Abdominal CT — axial view — abdomen soft-tissue window — 512x512 px — 15 organs annotated in this scan (that count is for the whole scan; organs this slice misses have no box)
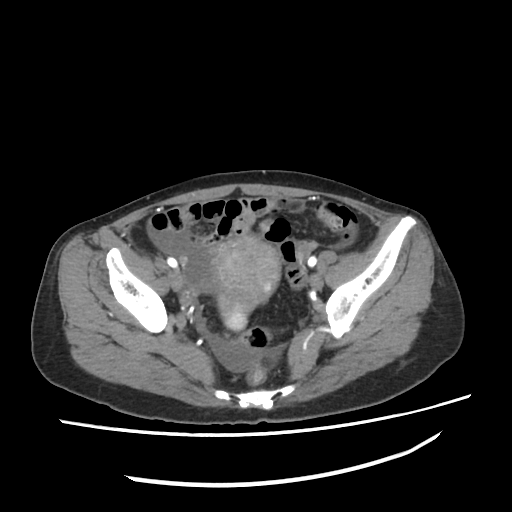 Coordinates as <box>x1,y1,x2,y2</box> in pixels.
prostate/uterus: <box>210,236,279,330</box>